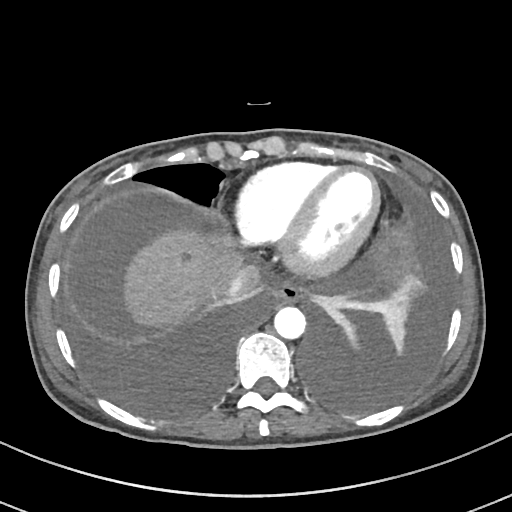

CT, abdomen/pelvis; axial plane, index 209; acquired on SOMATOM Force
Each box given as x1,y1,x2,y2.
Organ bounding boxes:
- liver: x1=123, y1=228, x2=245, y2=328
- inferior vena cava: x1=224, y1=265, x2=261, y2=296
- aorta: x1=273, y1=306, x2=305, y2=338
- esophagus: x1=269, y1=280, x2=301, y2=303